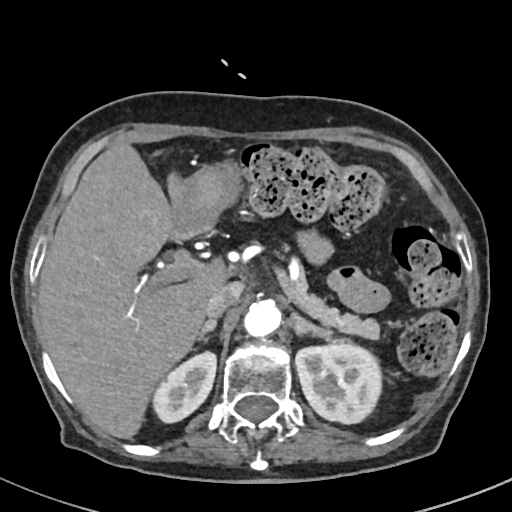

CT, abdomen/pelvis; axial view; SOMATOM Force scanner
Bounding boxes as [x1, y1, x2, y2] in pixel coordinates. Labeled organs on this slice: left adrenal gland at [291, 312, 332, 335], stomach at [174, 167, 236, 238], right adrenal gland at [198, 317, 216, 340], liver at [38, 144, 227, 438], aorta at [244, 299, 280, 336], left kidney at [295, 343, 382, 423], right kidney at [152, 351, 216, 423], pancreas at [289, 257, 380, 339], inferior vena cava at [205, 282, 243, 316].